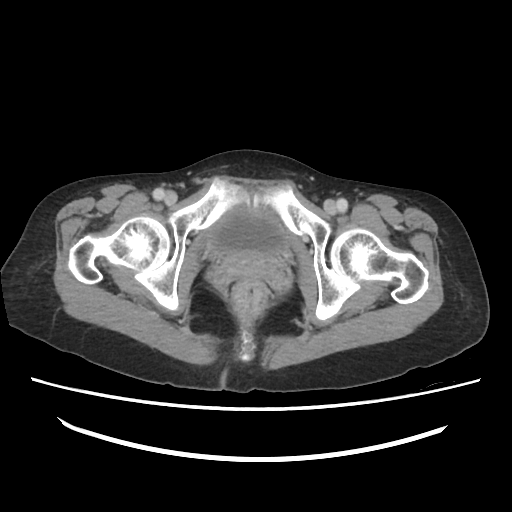 CT, abdomen/pelvis · axial view · 512x512 px
Coordinates as <box>x1,y1,x2,y2</box> in pixels.
Organ bounding boxes:
- bladder: <box>212,207,286,253</box>